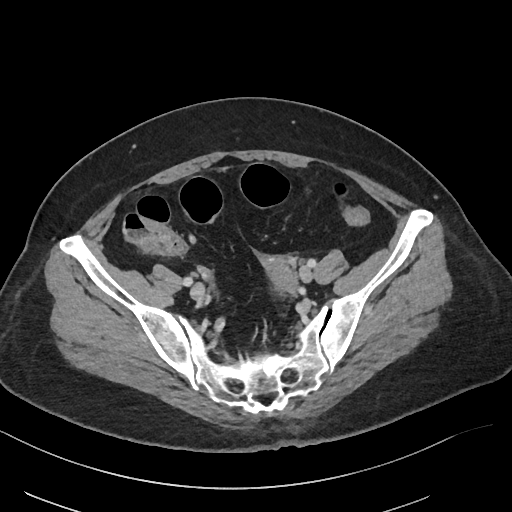

Computed tomography, abdomen. axial view. soft-tissue window. 512x512 px
One row per box, in pixels: columns x1 and y1 give the top-left corner, x2 and y2 the bottom-right.
| organ | x1 | y1 | x2 | y2 |
|---|---|---|---|---|
| prostate/uterus | 269 | 263 | 296 | 290 |